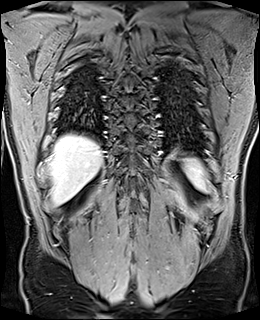

Abdominal MRI — coronal plane, index 18 — percentile-normalized — Prisma scanner
Boxes are (x1, y1, x2, y2) in pixels.
spleen: (184, 158, 206, 189)
liver: (49, 134, 102, 205)